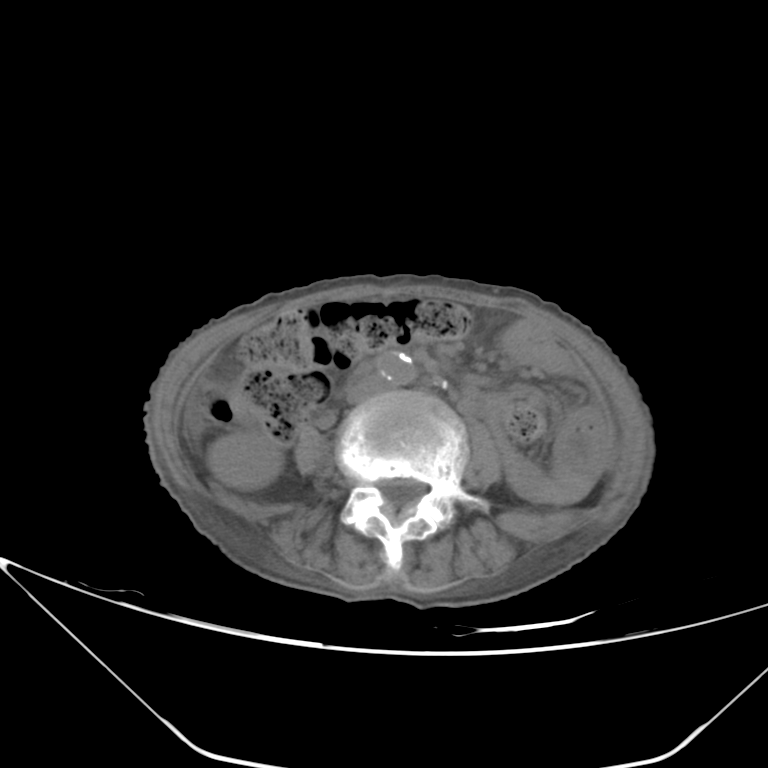 Computed tomography, abdomen — axial view — 768x768 px — Brilliance16 scanner
One row per box, in pixels: columns x1 and y1 give the top-left corner, x2 and y2 the bottom-right.
| organ | x1 | y1 | x2 | y2 |
|---|---|---|---|---|
| right kidney | 208 | 432 | 282 | 488 |
| inferior vena cava | 348 | 376 | 381 | 402 |